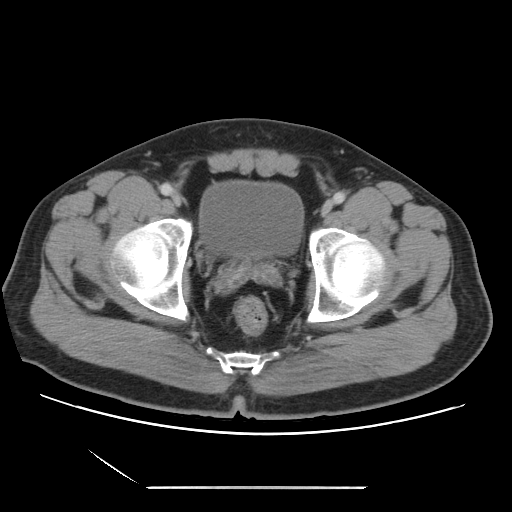 CT abdomen; axial view; soft-tissue window (W 400 / L 40)
Coordinates as <box>x1,y1,x2,y2</box> in pixels.
bladder: <box>199,180,303,257</box>